Chest-level slice from an abdominal CT that extends up into the chest. axial view. 512x512 px
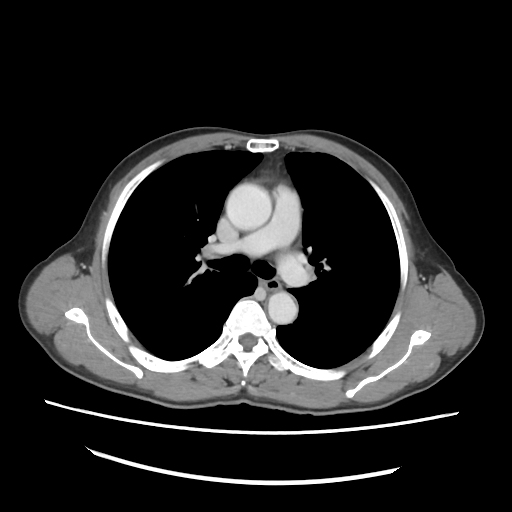

At this level of the chest no structure but the esophagus and the aorta has a label in this dataset, and those two are boxed only where they are labeled.
Box edges are left/top/right/bottom in pixels.
Organ bounding boxes:
- aorta: left=226, top=183, right=271, bottom=230
- aorta: left=268, top=291, right=297, bottom=324
- esophagus: left=264, top=279, right=280, bottom=290